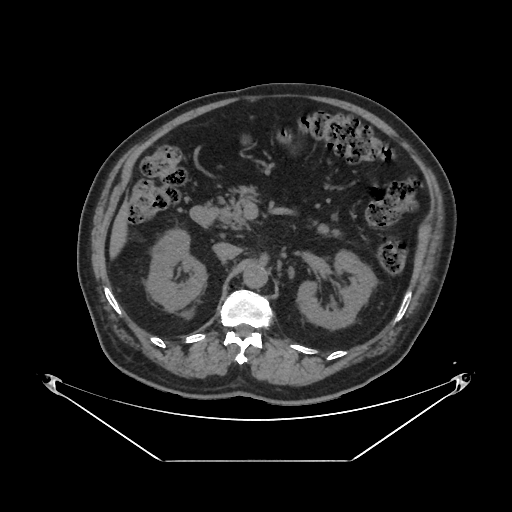 CT, abdomen/pelvis · axial view · soft-tissue window (W 400 / L 40) · scan has 15 labeled organs (counted over the whole 3D scan, not this slice; an organ is boxed only where this slice passes through it)
{"organs":{"left kidney":[297,248,377,328],"right kidney":[148,228,207,310],"pancreas":[217,194,250,230],"inferior vena cava":[213,242,241,258],"aorta":[243,263,267,287],"duodenum":[190,202,217,227],"liver":[110,203,127,255]}}